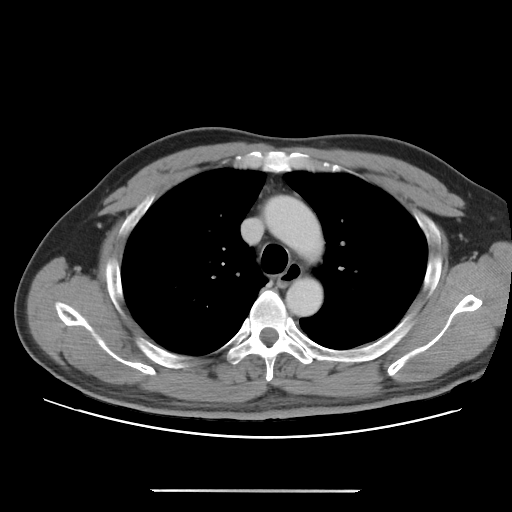

Chest-level CT slice, above the liver and spleen; axial view; soft-tissue window; acquired on SOMATOM Force
On a slice this high in the chest, this dataset labels only the esophagus and the aorta, and each is boxed only where it is labeled; the heart, lungs and other chest structures are not labeled.
{"organs":{"esophagus":[278,265,301,286],"aorta":[[263,195,323,262],[285,277,322,316]]}}